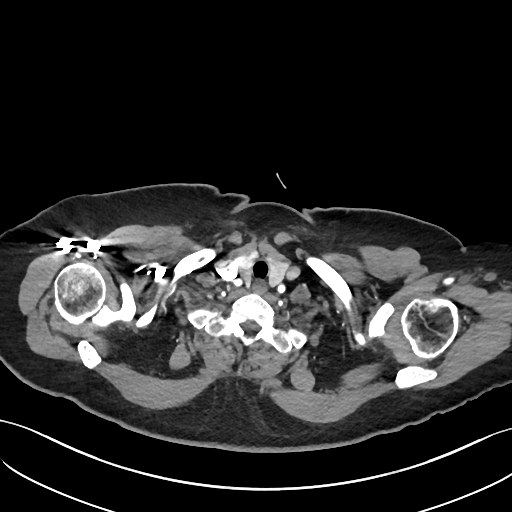
Abdominal CT reaching into the chest; this slice is in the chest; axial view
At this level of the chest no structure but the esophagus and the aorta has a label in this dataset, and those two are boxed only where they are labeled.
Each box given as x1,y1,x2,y2.
Organ bounding boxes:
- esophagus: x1=253, y1=282, x2=265, y2=294